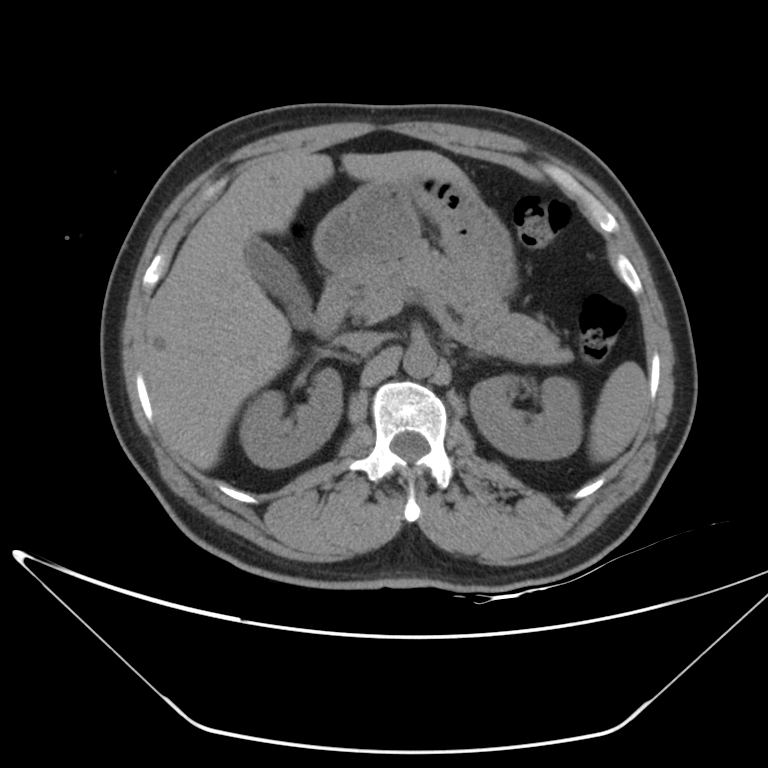 CT abdomen — Axial slice 61/84 — 768x768 px
Boxes are (x1, y1, x2, y2) in pixels. 11 labeled organs on this slice — spleen at (589, 362, 648, 462); right kidney at (239, 368, 341, 468); left kidney at (470, 375, 582, 459); gall bladder at (245, 237, 312, 328); liver at (144, 150, 473, 469); stomach at (313, 178, 516, 296); aorta at (403, 342, 436, 379); inferior vena cava at (341, 332, 382, 352); pancreas at (348, 240, 573, 364); left adrenal gland at (469, 351, 479, 356); duodenum at (310, 273, 353, 337).